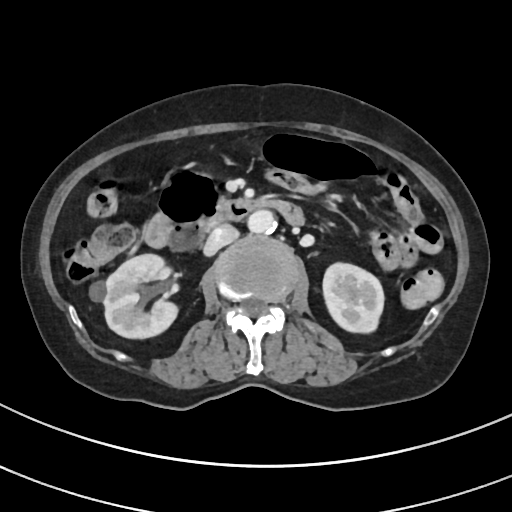 CT, abdomen/pelvis. axial plane, index 122. soft-tissue window (W 400 / L 40)
Box edges are left/top/right/bottom in pixels.
right kidney: left=90, top=253, right=179, bottom=339
left kidney: left=322, top=261, right=384, bottom=334
aorta: left=246, top=211, right=274, bottom=234
inferior vena cava: left=203, top=224, right=237, bottom=256
duodenum: left=144, top=168, right=302, bottom=249